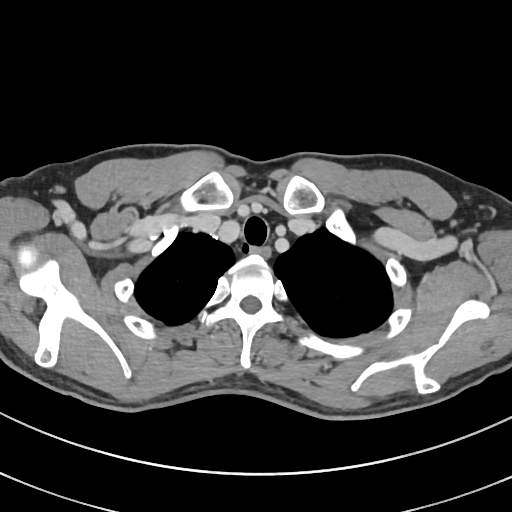

Chest-level slice from an abdominal CT that extends up into the chest. axial view. scan has 15 labeled organs (counted over the whole 3D scan, not this slice; an organ is boxed only where this slice passes through it)
At this level of the chest this dataset labels only the esophagus and the aorta, and each is boxed only where it is labeled; the heart and lungs are never labeled.
Boxes: x1 y1 x2 y2 (pixel coords, space-separated).
Organ bounding boxes:
- esophagus: 250 246 270 256